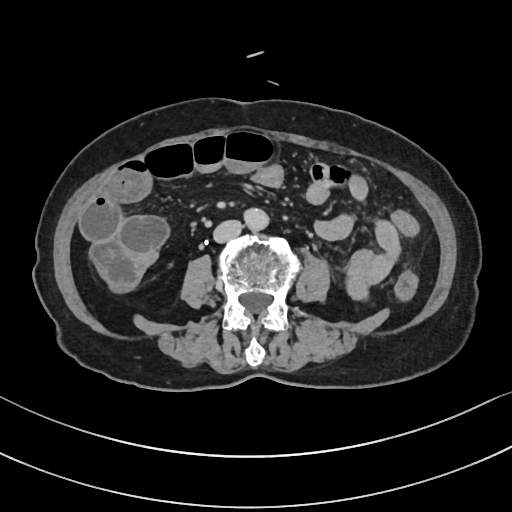
Abdominal CT — axial plane, index 105 — soft-tissue window (W 400 / L 40) — 512x512 px — scan has 15 labeled organs (counted over the whole 3D scan, not this slice; an organ is boxed only where this slice passes through it)
{"organs":{"aorta":[245,208,269,230],"inferior vena cava":[213,220,242,242]}}